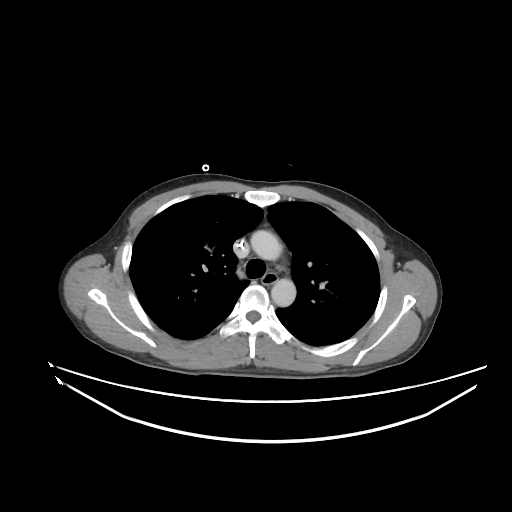
Chest-level slice from an abdominal CT that extends up into the chest · axial plane, index 113 · 47-year-old male patient · scan has 15 labeled organs (a whole-scan count: organs this slice does not pass through have no box)
At this level of the chest no structure but the esophagus and the aorta has a label in this dataset, and those two are boxed only where they are labeled.
{"organs":{"esophagus":[262,272,277,284],"aorta":[[250,230,282,260],[271,278,296,306]]}}